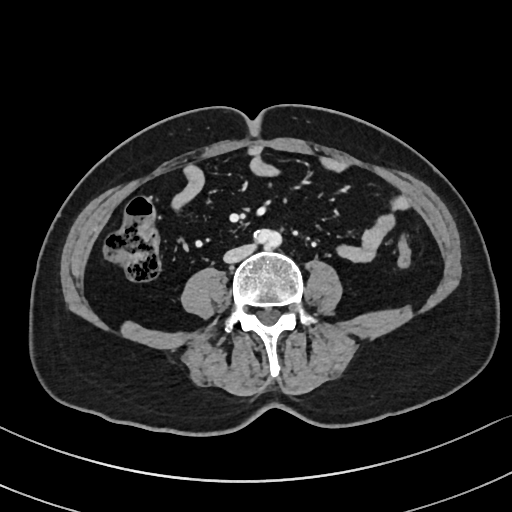 CT, abdomen/pelvis — axial view — 512x512 px — SOMATOM Force scanner
Boxes are (x1, y1, x2, y2) in pixels.
Organ bounding boxes:
- inferior vena cava: (224, 245, 253, 263)